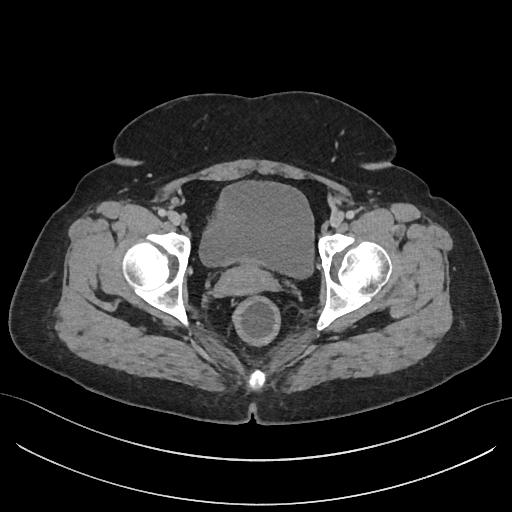
CT, abdomen/pelvis · axial view · 512x512 px
{"organs":{"bladder":[199,180,314,279],"prostate/uterus":[218,263,268,296]}}